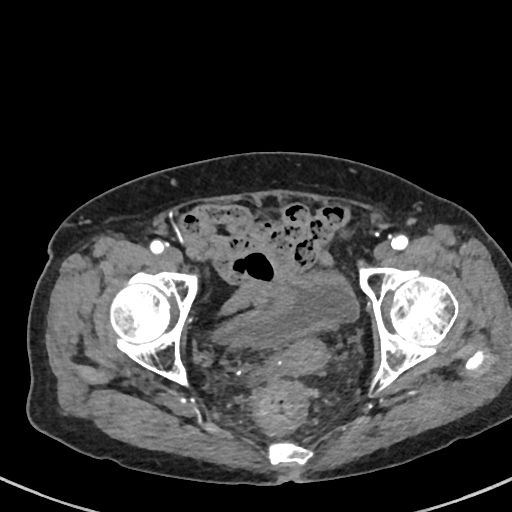

CT abdomen; axial plane, index 35; 512x512 px
Boxes are (x1, y1, x2, y2) in pixels. The annotated organs in this slice are: bladder at (217, 270, 359, 345), prostate/uterus at (268, 336, 330, 375).